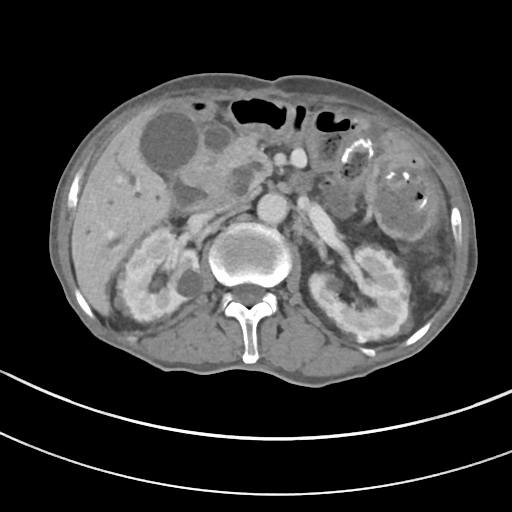

Abdominal CT; Axial slice 56/122; soft-tissue window; scan has 15 labeled organs (that count is for the whole scan; organs this slice misses have no box)
Coordinates as <box>x1,y1,x2,y2</box> in pixels.
pancreas: <box>208,133,272,201</box>
inferior vena cava: <box>210,199,240,213</box>
stomach: <box>190,118,200,146</box>
liver: <box>71,107,170,315</box>
right kidney: <box>116,227,199,321</box>
spleen: <box>432,279,443,290</box>
left kidney: <box>309,246,411,341</box>
duodenum: <box>168,125,231,212</box>
gall bladder: <box>141,110,200,173</box>
aorta: <box>257,192,288,225</box>